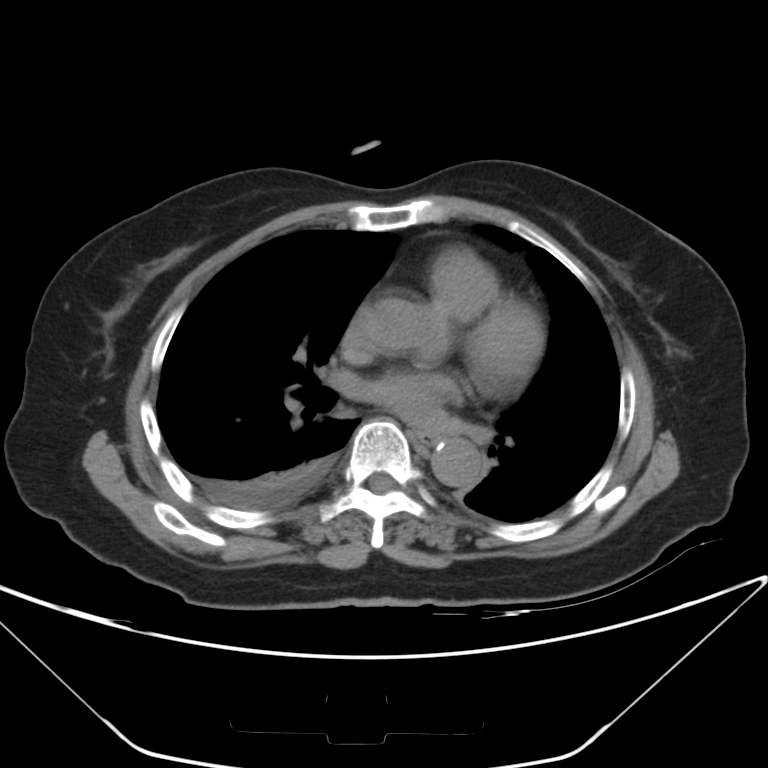

Abdominal CT; this slice is in the lower chest, just above the liver. axial view. W/L 400/40 HU. 66-year-old female patient
Of the structures in the chest, this dataset labels only the esophagus, the aorta and the inferior vena cava; the heart and lungs have no label.
Bounding boxes in pixels, one row per box: x1, y1 is the top-left corner and x2, y2 the bottom-right.
| organ | x1 | y1 | x2 | y2 |
|---|---|---|---|---|
| esophagus | 416 | 430 | 440 | 442 |
| aorta | 372 | 299 | 430 | 347 |
| aorta | 431 | 437 | 483 | 488 |